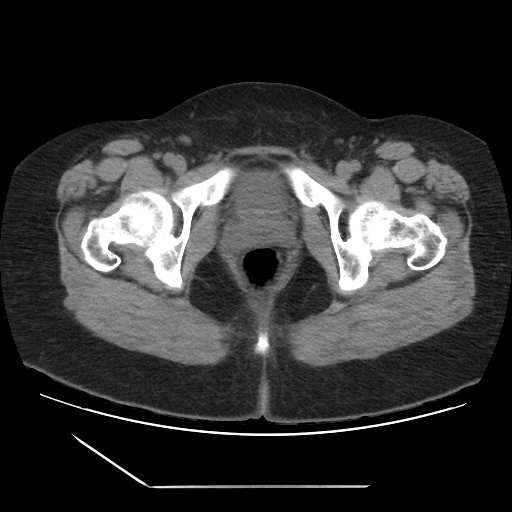 CT abdomen; axial view
Boxes: x1 y1 x2 y2 (pixel coords, space-separated). 1 labeled organ on this slice — bladder at 234 171 284 215.